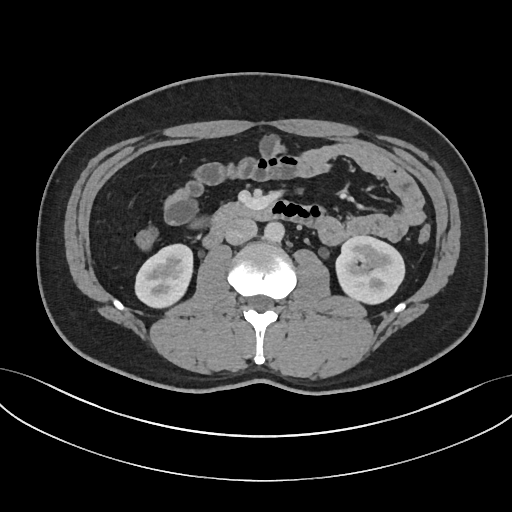
Computed tomography, abdomen; Axial slice 154/345; 512x512 px; scan has 15 labeled organs (a whole-scan count: organs this slice does not pass through have no box)
Coordinates as <box>x1,y1,x2,y2</box> in pixels.
right kidney: <box>135,244,192,308</box>
aorta: <box>264,221,284,242</box>
left kidney: <box>335,236,404,304</box>
inferior vena cava: <box>225,218,257,244</box>
duodenum: <box>202,200,321,248</box>